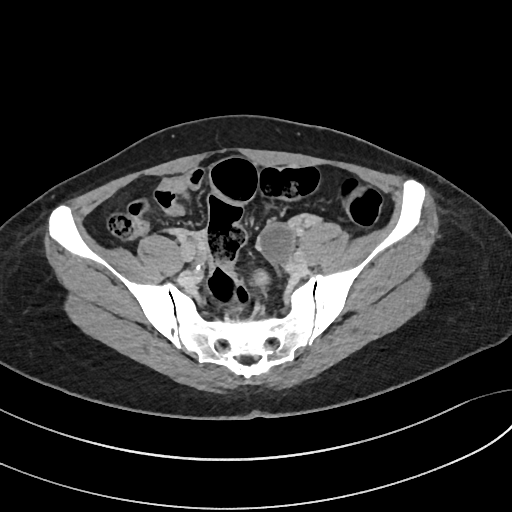

Computed tomography, abdomen; Axial slice 74/219; W/L 400/40 HU
Organ boxes in pixel coordinates; each row gives the top-left (x1, y1) and bottom-right (x2, y2) corners.
| organ | x1 | y1 | x2 | y2 |
|---|---|---|---|---|
| prostate/uterus | 254 | 272 | 267 | 284 |